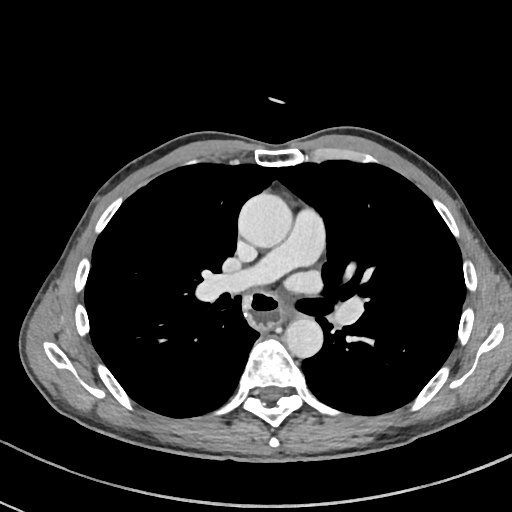
Abdominal CT reaching into the chest; this slice is in the chest · axial view · soft-tissue window (W 400 / L 40) · acquired on SOMATOM Force · scan has 15 labeled organs (a whole-scan count: organs this slice does not pass through have no box)
At this level of the chest this dataset labels only the esophagus and the aorta, and each is boxed only where it is labeled; the heart and lungs are never labeled.
Bounding boxes as [x1, y1, x2, y2] in pixel coordinates.
esophagus: [244, 292, 283, 328]
aorta: [238, 192, 292, 247]
aorta: [284, 317, 323, 358]